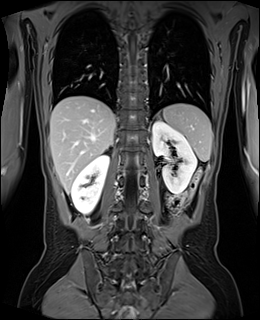

Abdominal MRI · coronal view · 260x320 px · Prisma scanner · 13 organs annotated in this scan (counted over the whole 3D scan, not this slice; an organ is boxed only where this slice passes through it)
Box edges are left/top/right/bottom in pixels. Labeled organs on this slice: liver at left=50, top=95, right=115, bottom=193, left kidney at left=152, top=121, right=196, bottom=193, spleen at left=163, top=104, right=212, bottom=161, right adrenal gland at left=111, top=142, right=114, bottom=145, right kidney at left=71, top=155, right=109, bottom=214.